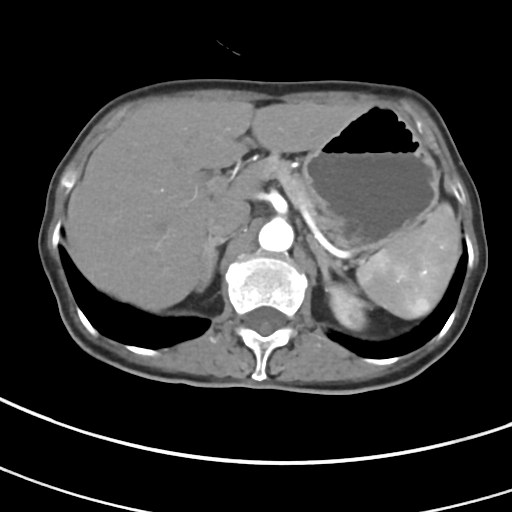
CT, abdomen/pelvis. axial plane, index 63. scan has 15 labeled organs (a whole-scan count: organs this slice does not pass through have no box)
Organ boxes in pixel coordinates; each row gives the top-left (x1, y1) and bottom-right (x2, y2) corners.
| organ | x1 | y1 | x2 | y2 |
|---|---|---|---|---|
| spleen | 356 | 202 | 460 | 319 |
| left kidney | 327 | 284 | 366 | 329 |
| liver | 66 | 99 | 358 | 310 |
| stomach | 302 | 105 | 439 | 250 |
| aorta | 258 | 219 | 293 | 253 |
| inferior vena cava | 206 | 199 | 250 | 237 |
| pancreas | 257 | 154 | 316 | 220 |
| right adrenal gland | 197 | 237 | 226 | 291 |
| left adrenal gland | 306 | 235 | 342 | 285 |